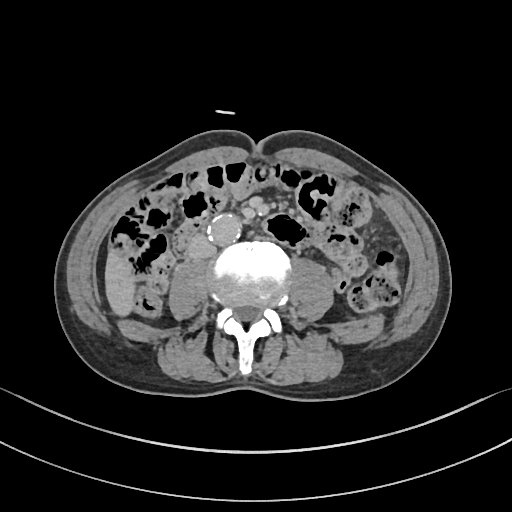 Abdominal CT. Axial slice 118/204. abdomen soft-tissue window. 512x512 px
Box edges are left/top/right/bottom in pixels. The annotated organs in this slice are: liver at left=104, top=247, right=135, bottom=318, aorta at left=208, top=215, right=239, bottom=245, inferior vena cava at left=188, top=237, right=215, bottom=259.